Abdominal CT; axial view; 512x512 px
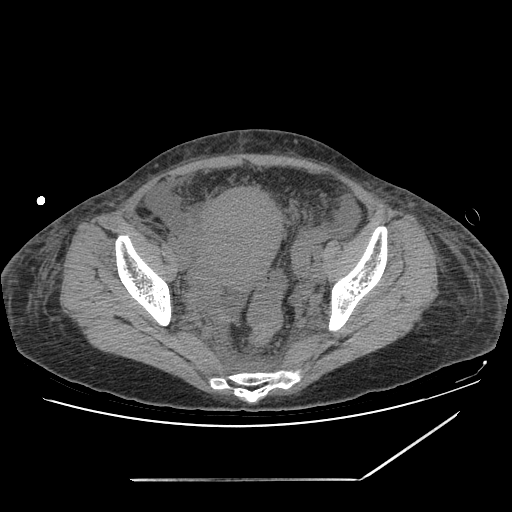 Bounding boxes as [x1, y1, x2, y2] in pixel coordinates.
prostate/uterus: [203, 189, 282, 289]